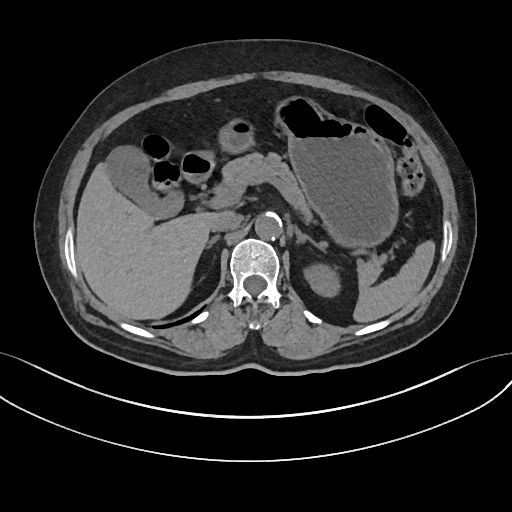

Computed tomography, abdomen; axial view
Boxes are (x1, y1, x2, y2) in pixels.
Organ bounding boxes:
- spleen: (353, 240, 435, 322)
- left kidney: (303, 263, 340, 297)
- gall bladder: (107, 146, 182, 218)
- liver: (76, 162, 217, 319)
- stomach: (207, 96, 398, 251)
- aorta: (255, 213, 282, 239)
- inferior vena cava: (211, 212, 241, 231)
- pancreas: (222, 152, 386, 283)
- right adrenal gland: (207, 235, 220, 248)
- left adrenal gland: (294, 226, 316, 245)
- duodenum: (181, 151, 214, 183)